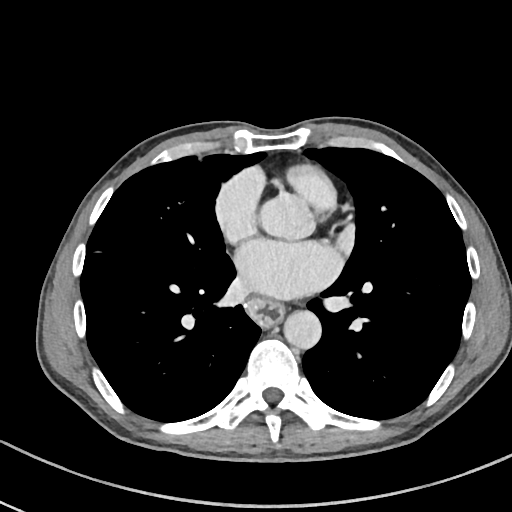

CT of the abdomen reaching into the lower chest, slice just above the liver and spleen. Axial slice 225/306. 15 organs annotated in this scan (counted over the whole 3D scan, not this slice; an organ is boxed only where this slice passes through it)
Of the structures in the chest, this dataset labels only the esophagus, the aorta and the inferior vena cava; the heart and lungs have no label.
Box edges are left/top/right/bottom in pixels.
Organ bounding boxes:
- esophagus: left=247, top=299, right=282, bottom=325
- aorta: left=260, top=195, right=315, bottom=239
- aorta: left=284, top=311, right=321, bottom=349